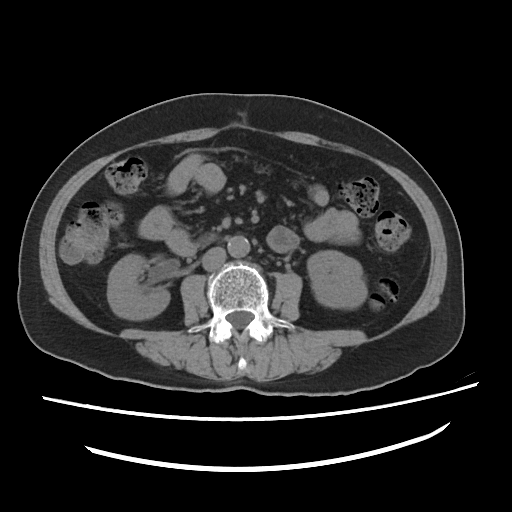 Abdominal CT; axial plane, index 48; soft-tissue window; 512x512 px; acquired on Aquilion ONE
One row per box, in pixels: columns x1 and y1 give the top-left corner, x2 and y2 the bottom-right.
| organ | x1 | y1 | x2 | y2 |
|---|---|---|---|---|
| aorta | 227 | 235 | 250 | 257 |
| inferior vena cava | 202 | 247 | 226 | 271 |
| left kidney | 307 | 250 | 366 | 308 |
| right kidney | 107 | 254 | 169 | 319 |